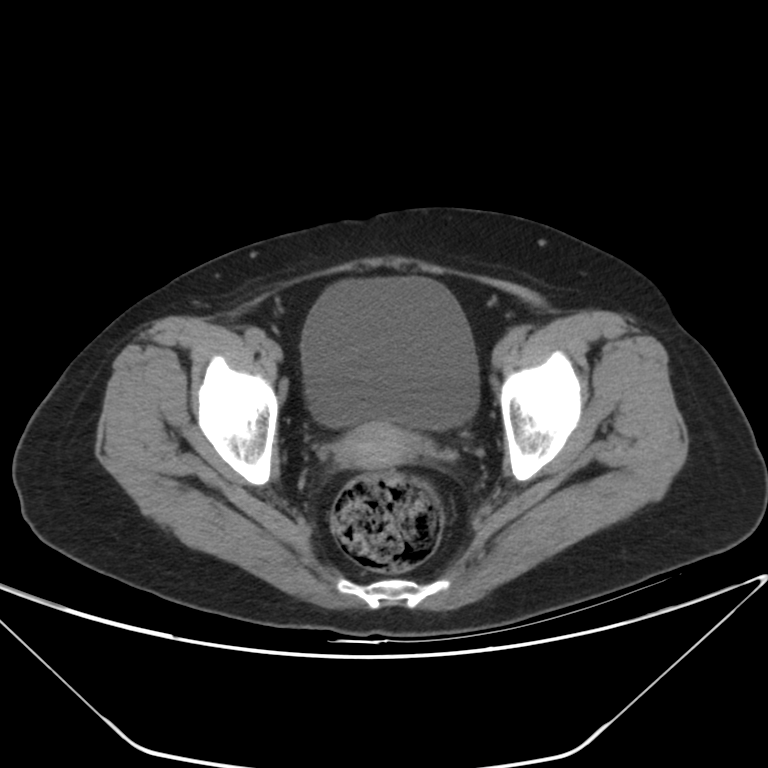 Abdominal CT · axial view · 768x768 px · 66-year-old female patient · 14 organs annotated in this scan (a whole-scan count: organs this slice does not pass through have no box)
<organs><organ name="bladder" x1="300" y1="277" x2="479" y2="429"/><organ name="prostate/uterus" x1="337" y1="422" x2="420" y2="467"/></organs>